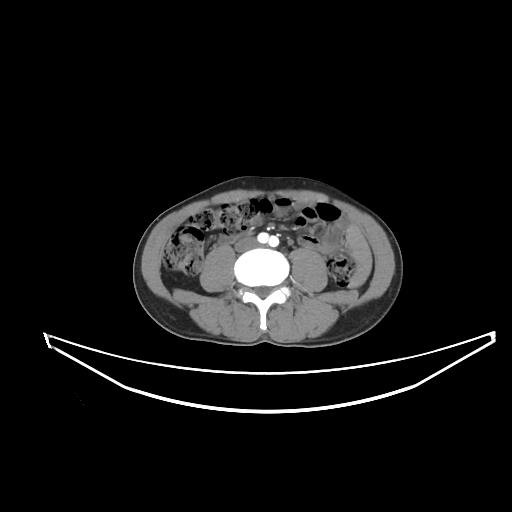 Computed tomography, abdomen · Axial slice 46/134 · 52-year-old male patient
Coordinates as <box>x1,y1,x2,y2</box> in pixels.
inferior vena cava: <box>235,237,258,251</box>
duodenum: <box>219,231,252,243</box>